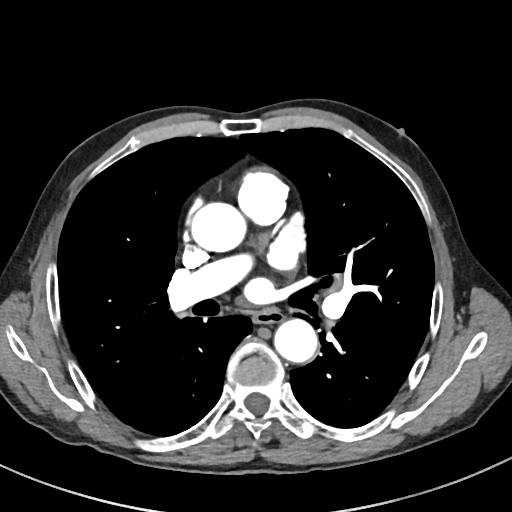
CT of the abdomen extending into the chest, slice through the chest; axial plane, index 241; soft-tissue window, W/L 400/40; 512x512 px
At this level of the chest this dataset labels only the esophagus and the aorta, and each is boxed only where it is labeled; the heart and lungs are never labeled.
{"organs":{"esophagus":[253,309,283,324],"aorta":[[191,202,246,251],[274,318,317,363]]}}